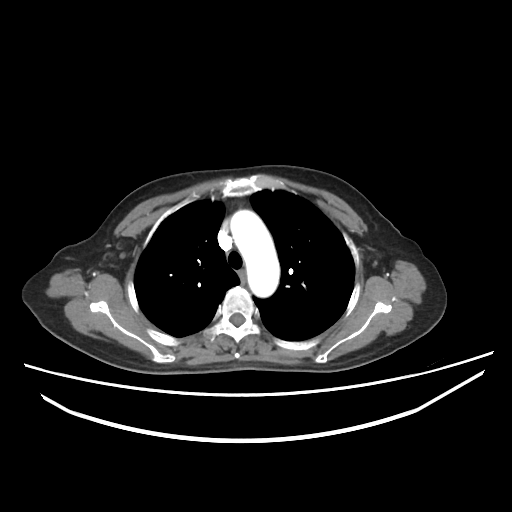

Chest-level CT slice, above the liver and spleen. axial view. soft-tissue window. 512x512 px
At this level of the chest no structure but the esophagus and the aorta has a label in this dataset, and those two are boxed only where they are labeled.
Coordinates as <box>x1,y1,x2,y2</box> in pixels.
aorta: <box>228,209,279,297</box>